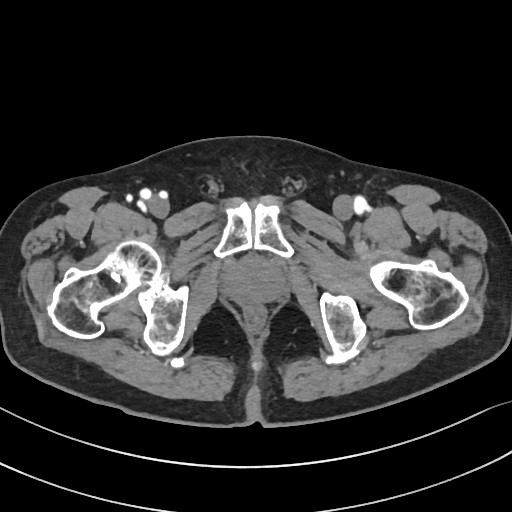

CT, abdomen/pelvis. axial view. soft-tissue window
Boxes: x1 y1 x2 y2 (pixel coords, space-separated).
prostate/uterus: 226 263 281 302